CT, abdomen/pelvis; axial plane, index 72; soft-tissue window
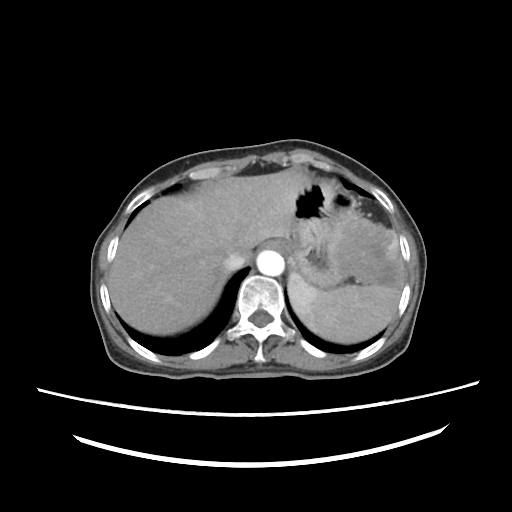

<organs><organ name="spleen" x1="286" y1="230" x2="400" y2="342"/><organ name="esophagus" x1="259" y1="240" x2="281" y2="251"/><organ name="liver" x1="109" y1="172" x2="310" y2="335"/><organ name="stomach" x1="280" y1="179" x2="404" y2="291"/><organ name="aorta" x1="257" y1="250" x2="283" y2="275"/><organ name="inferior vena cava" x1="222" y1="251" x2="246" y2="271"/></organs>